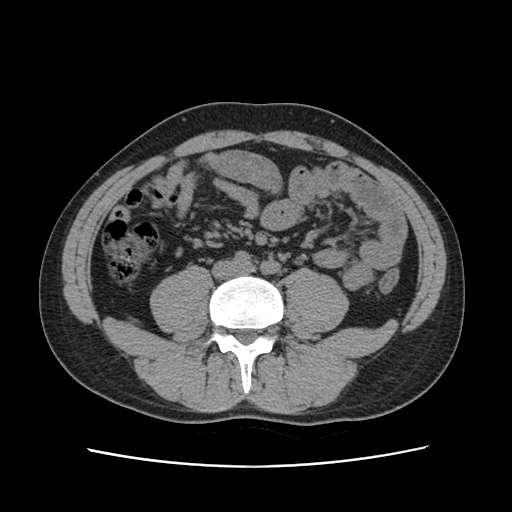

Computed tomography, abdomen — axial plane, index 86 — 512x512 px
Organ boxes in pixel coordinates; each row gives the top-left (x1, y1) and bottom-right (x2, y2) corners.
| organ | x1 | y1 | x2 | y2 |
|---|---|---|---|---|
| inferior vena cava | 212 | 260 | 245 | 278 |